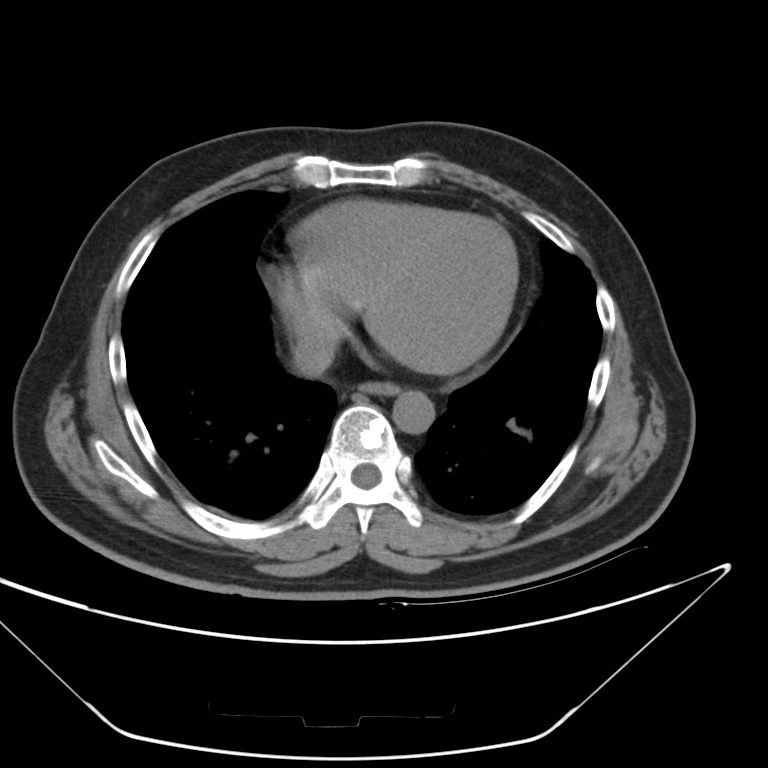

Abdominal CT; this slice is in the lower chest, just above the liver — axial view — soft-tissue window, W/L 400/40 — 50-year-old male patient
The heart and lungs are never labeled in this dataset, so they have no box on this slice.
Coordinates as <box>x1,y1,x2,y2</box> in pixels.
esophagus: <box>360,382,396,393</box>
aorta: <box>392,388,434,436</box>
inferior vena cava: <box>293,333,333,376</box>